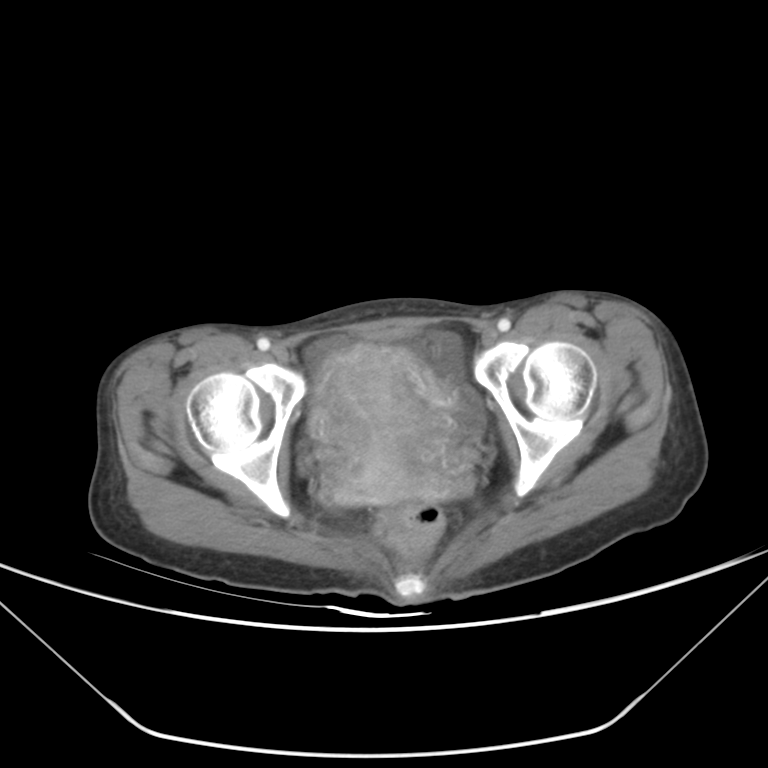 Abdominal CT; axial view; 768x768 px
<organs><organ name="bladder" x1="455" y1="397" x2="484" y2="433"/><organ name="prostate/uterus" x1="312" y1="347" x2="456" y2="504"/></organs>